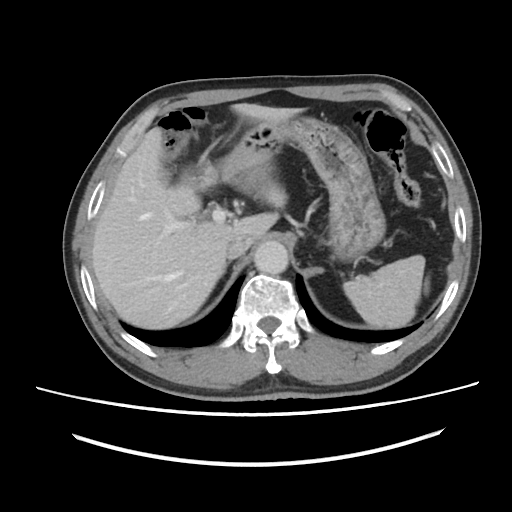 CT abdomen. axial plane, index 71. 512x512 px
Each box given as x1,y1,x2,y2.
stomach: x1=200, y1=115, x2=385, y2=261
liver: x1=92, y1=103, x2=303, y2=328
inferior vena cava: x1=226, y1=234, x2=253, y2=258
spleen: x1=343, y1=255, x2=427, y2=328
aorta: x1=254, y1=241, x2=288, y2=274